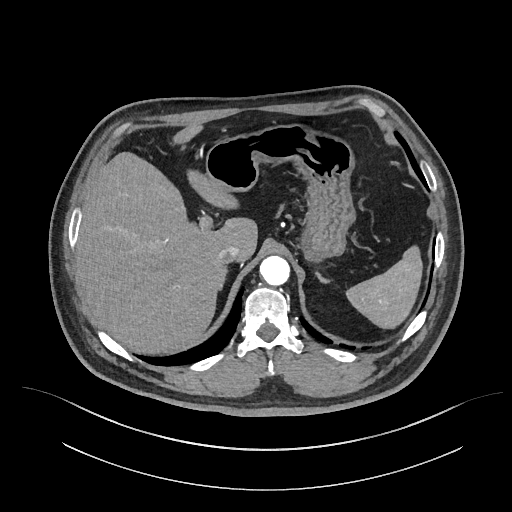 CT abdomen; axial view; soft-tissue window (W 400 / L 40); acquired on SOMATOM Force; scan has 15 labeled organs (counted over the whole 3D scan, not this slice; an organ is boxed only where this slice passes through it)
<organs><organ name="spleen" x1="346" y1="245" x2="422" y2="328"/><organ name="liver" x1="75" y1="124" x2="257" y2="354"/><organ name="stomach" x1="205" y1="124" x2="355" y2="263"/><organ name="aorta" x1="260" y1="255" x2="289" y2="285"/><organ name="inferior vena cava" x1="217" y1="245" x2="239" y2="264"/><organ name="right adrenal gland" x1="219" y1="268" x2="226" y2="290"/><organ name="left adrenal gland" x1="316" y1="272" x2="321" y2="278"/></organs>